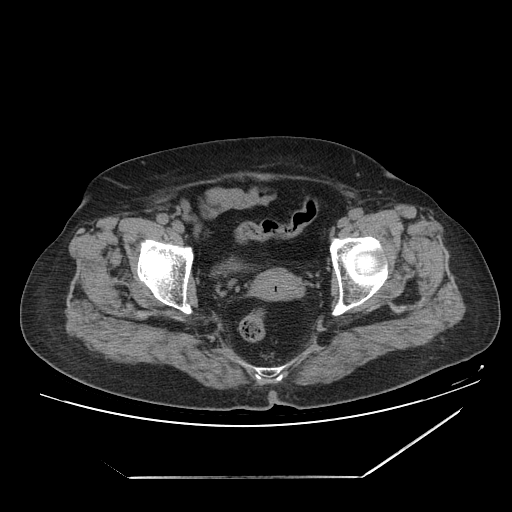
CT, abdomen/pelvis — axial view — 512x512 px — 15 organs annotated in this scan (that count is for the whole scan; organs this slice misses have no box)
Boxes: x1 y1 x2 y2 (pixel coords, space-separated).
prostate/uterus: 249 268 301 298
bladder: 209 253 262 279